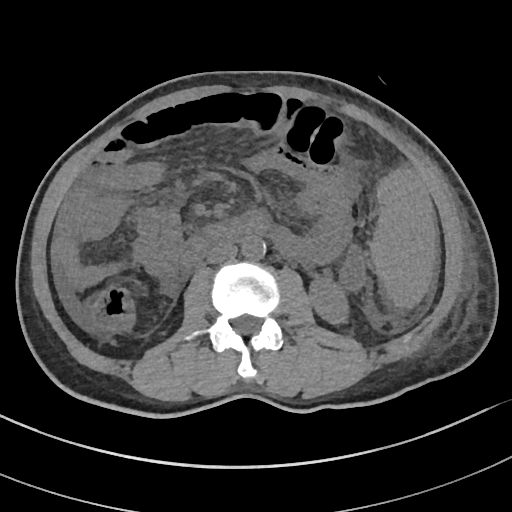 CT abdomen; axial view; soft-tissue window; 512x512 px; SOMATOM Force scanner
<organs><organ name="left kidney" x1="310" y1="278" x2="348" y2="324"/><organ name="inferior vena cava" x1="207" y1="242" x2="237" y2="263"/><organ name="spleen" x1="370" y1="169" x2="436" y2="308"/><organ name="duodenum" x1="183" y1="212" x2="268" y2="266"/><organ name="aorta" x1="242" y1="235" x2="265" y2="259"/></organs>